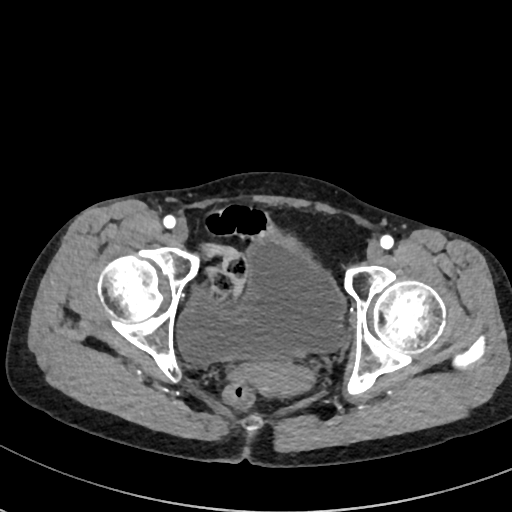 Abdominal CT; Axial slice 35/207; acquired on SOMATOM Force; 15 organs annotated in this scan (a whole-scan count: organs this slice does not pass through have no box)
<organs><organ name="bladder" x1="178" y1="233" x2="344" y2="363"/><organ name="prostate/uterus" x1="250" y1="354" x2="303" y2="390"/></organs>